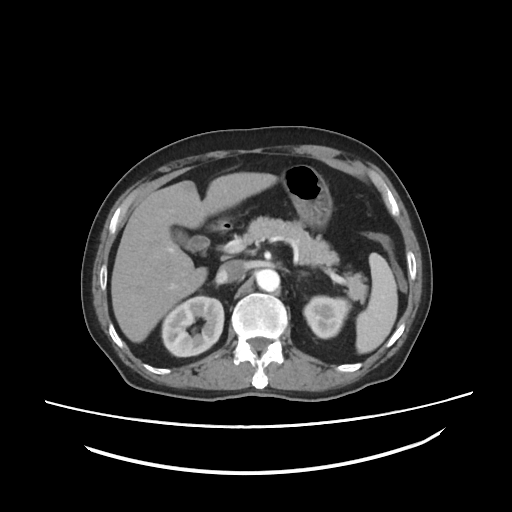
Abdominal CT. axial plane, index 67. 512x512 px. 68-year-old male patient
Bounding boxes in pixels, one row per box: x1, y1 is the top-left corner and x2, y2 the bottom-right.
| organ | x1 | y1 | x2 | y2 |
|---|---|---|---|---|
| stomach | 281 | 165 | 332 | 227 |
| inferior vena cava | 217 | 260 | 246 | 282 |
| spleen | 356 | 252 | 397 | 353 |
| left adrenal gland | 300 | 271 | 307 | 275 |
| aorta | 256 | 269 | 279 | 291 |
| left kidney | 304 | 296 | 350 | 338 |
| right kidney | 161 | 296 | 223 | 356 |
| gall bladder | 171 | 227 | 209 | 251 |
| liver | 111 | 172 | 277 | 342 |
| pancreas | 243 | 216 | 366 | 300 |
| duodenum | 207 | 219 | 232 | 231 |